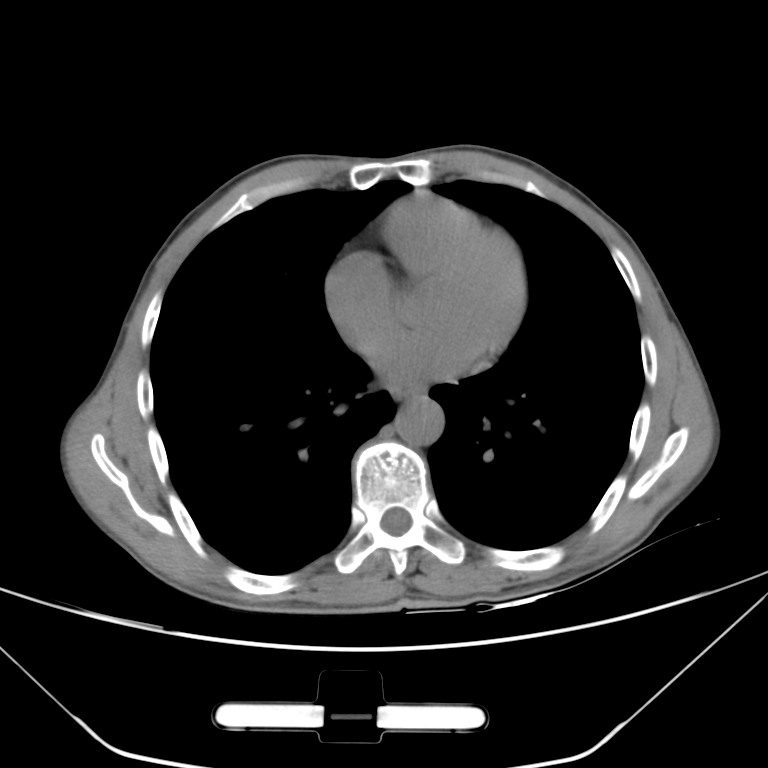
CT of the abdomen reaching into the lower chest, slice just above the liver and spleen; axial plane, index 84; 768x768 px
The heart and lungs are never labeled in this dataset, so they have no box on this slice.
Organ boxes in pixel coordinates; each row gives the top-left (x1, y1) and bottom-right (x2, y2) corners.
| organ | x1 | y1 | x2 | y2 |
|---|---|---|---|---|
| aorta | 394 | 397 | 443 | 445 |
| esophagus | 394 | 389 | 418 | 400 |